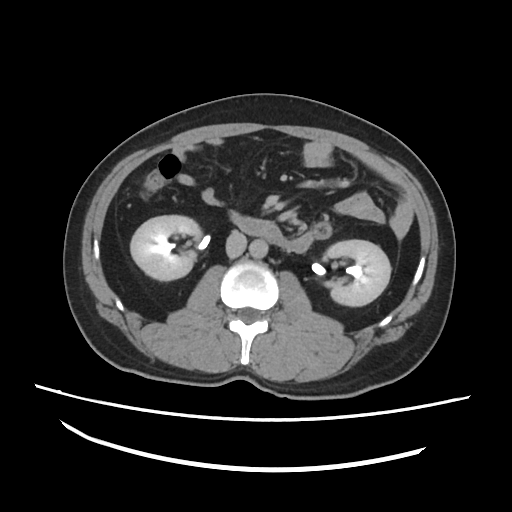

Computed tomography, abdomen. axial view. W/L 400/40 HU
{"organs":{"duodenum":[232,213,313,252],"right kidney":[130,217,203,279],"inferior vena cava":[226,230,246,256],"left kidney":[324,240,391,306],"aorta":[249,240,267,256]}}